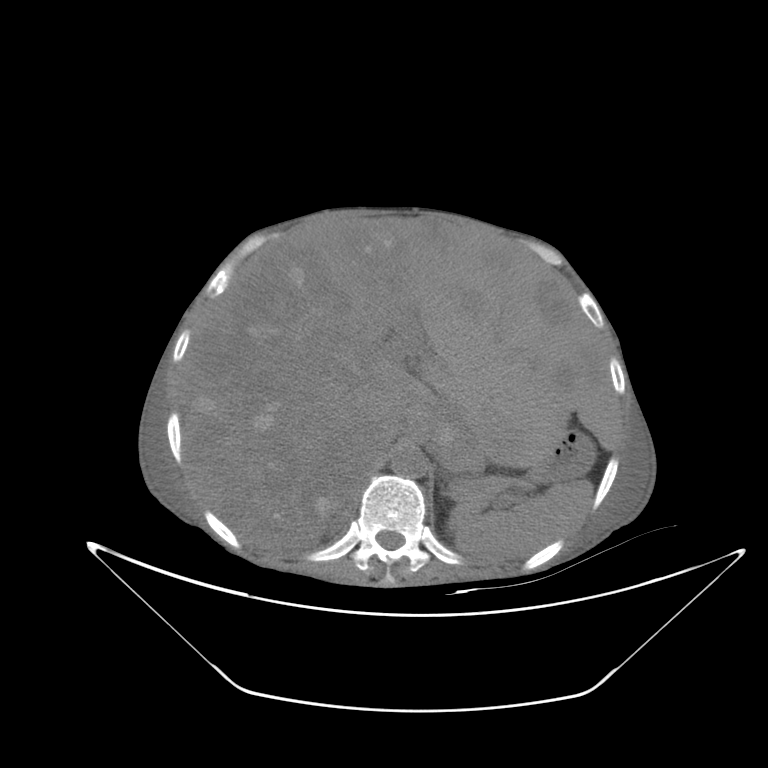

Computed tomography, abdomen; axial view; soft-tissue window (W 400 / L 40); 56-year-old male patient; scan has 15 labeled organs (a whole-scan count: organs this slice does not pass through have no box)
{"organs":{"spleen":[447,480,592,559],"liver":[182,218,624,551],"stomach":[529,431,595,480],"aorta":[391,447,427,477],"inferior vena cava":[378,420,407,451],"pancreas":[452,476,505,501],"right adrenal gland":[330,498,360,534]}}